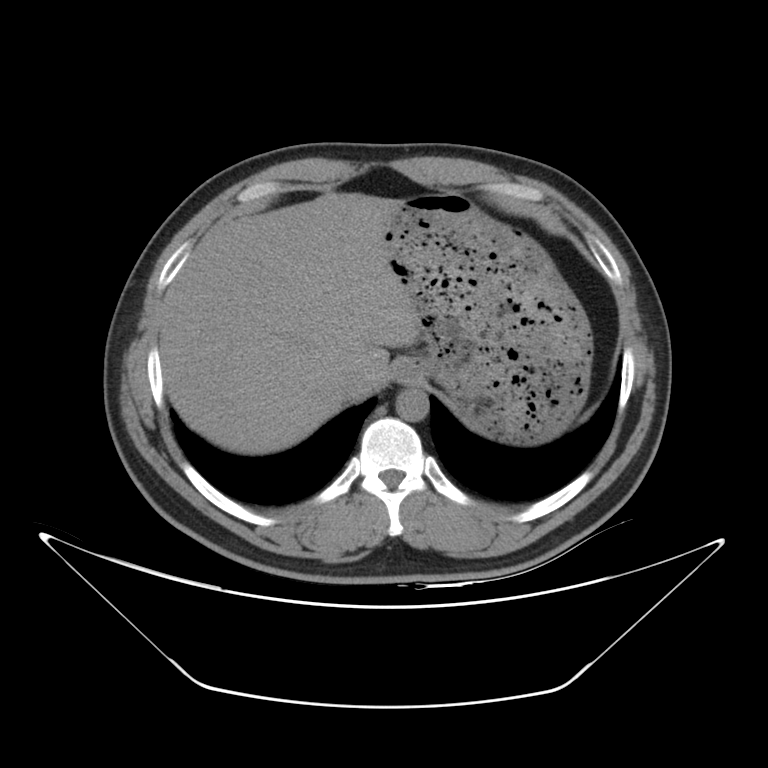

CT abdomen · axial view · W/L 400/40 HU
Boxes are (x1, y1, x2, y2) in pixels.
Organ bounding boxes:
- esophagus: (394, 359, 418, 382)
- liver: (160, 193, 420, 454)
- stomach: (385, 193, 592, 443)
- aorta: (395, 387, 429, 421)
- inferior vena cava: (337, 363, 372, 398)